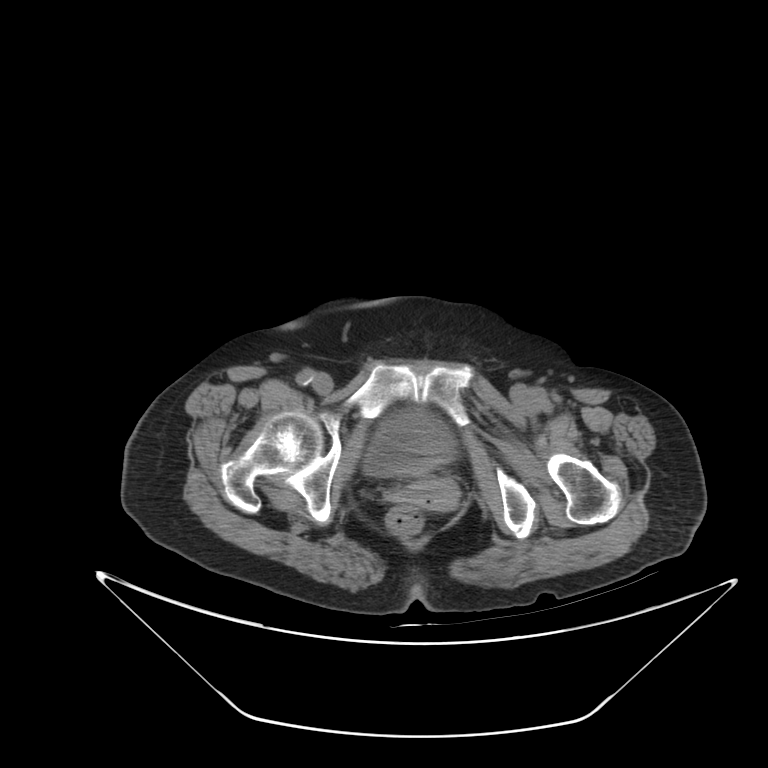

Computed tomography, abdomen. axial view. soft-tissue window. 768x768 px. 78-year-old female patient
Coordinates as <box>x1,y1,x2,y2</box> in pixels.
bladder: <box>364,410,454,476</box>
prostate/uterus: <box>403,477,457,509</box>